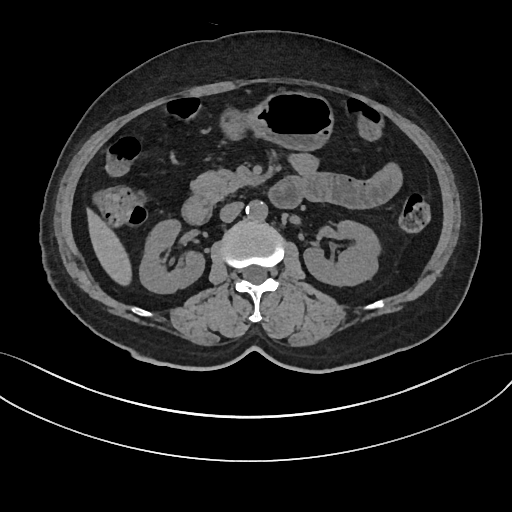
Abdominal CT — axial view — soft-tissue window (W 400 / L 40) — SOMATOM Force scanner
Bounding boxes as [x1, y1, x2, y2] in pixel coordinates.
right kidney: [140, 221, 205, 294]
left kidney: [303, 221, 378, 286]
liver: [86, 206, 130, 283]
stomach: [220, 91, 334, 150]
aorta: [246, 201, 268, 221]
inferior vena cava: [219, 202, 243, 222]
pancreas: [190, 170, 253, 202]
duodenum: [181, 176, 302, 225]